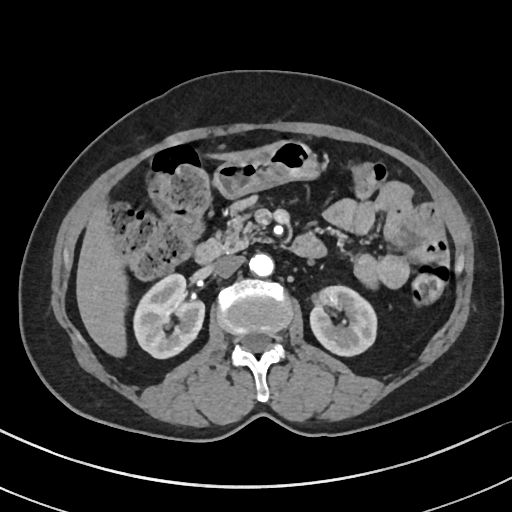
Computed tomography, abdomen; axial view; soft-tissue window; 512x512 px
Bounding boxes in pixels, one row per box: x1, y1 is the top-left corner and x2, y2 the bottom-right.
| organ | x1 | y1 | x2 | y2 |
|---|---|---|---|---|
| liver | 76 | 143 | 273 | 357 |
| aorta | 249 | 253 | 273 | 276 |
| duodenum | 194 | 234 | 326 | 263 |
| inferior vena cava | 213 | 255 | 244 | 277 |
| pancreas | 214 | 198 | 263 | 251 |
| right kidney | 133 | 273 | 204 | 358 |
| stomach | 213 | 140 | 320 | 198 |
| left kidney | 310 | 286 | 376 | 355 |